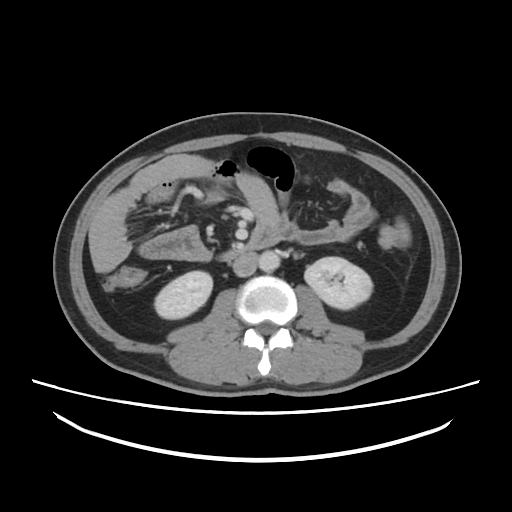 CT abdomen · axial view · W/L 400/40 HU
Each box given as x1,y1,x2,y2.
Organ bounding boxes:
- inferior vena cava: x1=232, y1=251, x2=258, y2=277
- spleen: x1=396, y1=220, x2=410, y2=241
- duodenum: x1=220, y1=225, x2=280, y2=261
- aorta: x1=258, y1=250, x2=280, y2=271
- right kidney: x1=154, y1=271, x2=212, y2=319
- left kidney: x1=304, y1=257, x2=372, y2=309